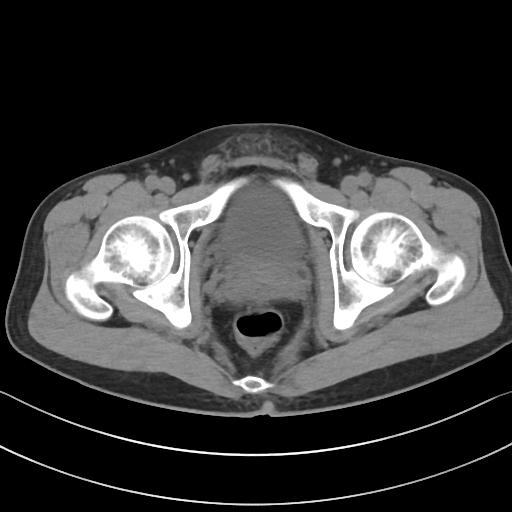
CT, abdomen/pelvis. Axial slice 12/87. abdomen soft-tissue window. acquired on SOMATOM Force
{"organs":{"bladder":[221,191,301,260],"prostate/uterus":[233,256,292,293]}}